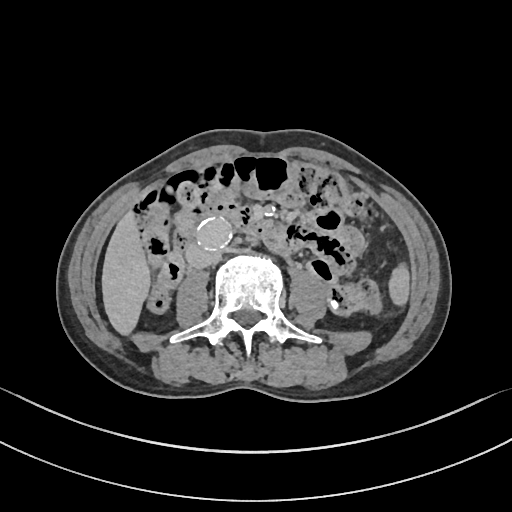
CT, abdomen/pelvis; axial view; soft-tissue window (W 400 / L 40)
Organ boxes in pixel coordinates; each row gives the top-left (x1, y1) and bottom-right (x2, y2) corners.
| organ | x1 | y1 | x2 | y2 |
|---|---|---|---|---|
| spleen | 389 | 263 | 409 | 305 |
| liver | 102 | 211 | 150 | 335 |
| aorta | 196 | 218 | 229 | 249 |
| inferior vena cava | 186 | 245 | 215 | 268 |
| duodenum | 205 | 202 | 291 | 252 |